CT abdomen — axial view
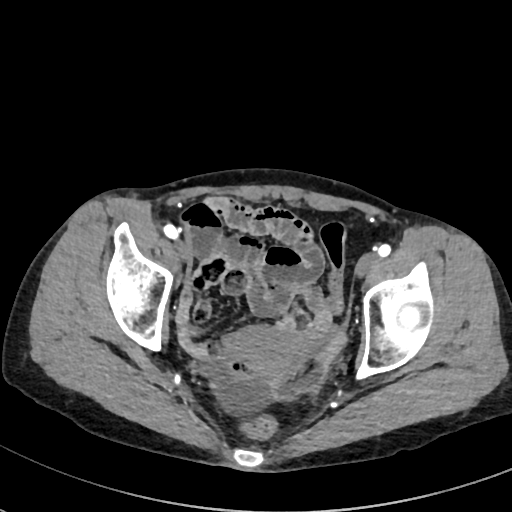
Organ boxes in pixel coordinates; each row gives the top-left (x1, y1) and bottom-right (x2, y2) corners.
| organ | x1 | y1 | x2 | y2 |
|---|---|---|---|---|
| prostate/uterus | 235 | 325 | 305 | 374 |